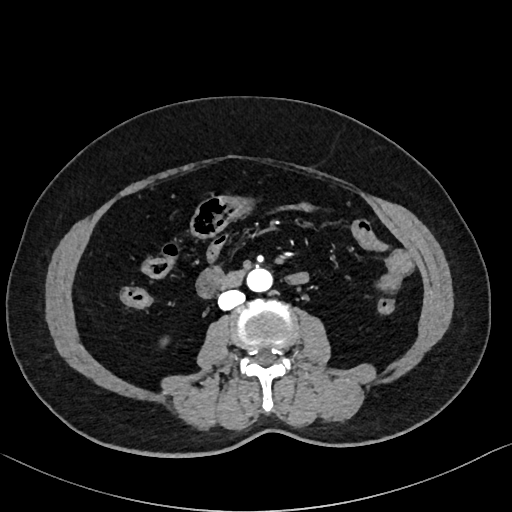 CT, abdomen/pelvis. axial view
Boxes are (x1, y1, x2, y2) in pixels.
duodenum: (220, 271, 243, 287)
inferior vena cava: (218, 290, 245, 310)
aorta: (248, 268, 273, 292)